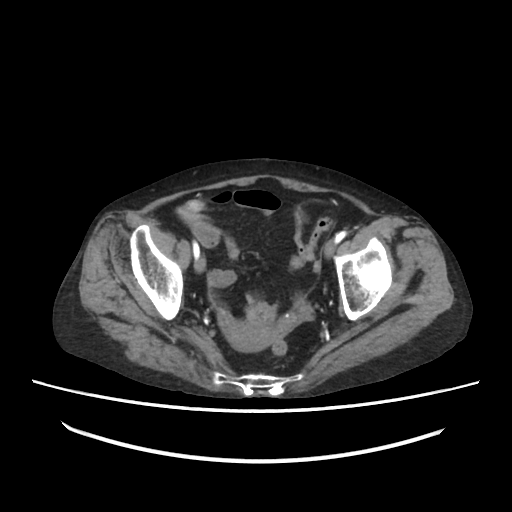
Computed tomography, abdomen — axial view — acquired on Aquilion ONE
<organs><organ name="prostate/uterus" x1="223" y1="322" x2="278" y2="349"/></organs>